Computed tomography, abdomen · axial view · soft-tissue window · acquired on SOMATOM Force
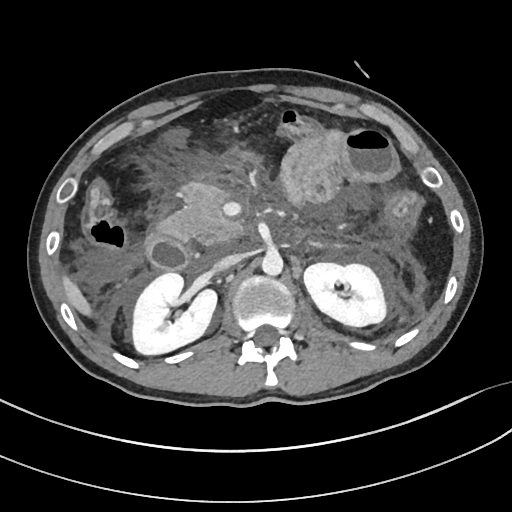

Boxes: x1:y1:x2:y2 in pixels.
inferior vena cava: 213:254:243:271
left kidney: 304:263:385:326
liver: 59:274:93:316
duodenum: 146:228:190:269
pancreas: 162:183:241:243
right kidney: 133:273:217:354
aorta: 262:252:283:276